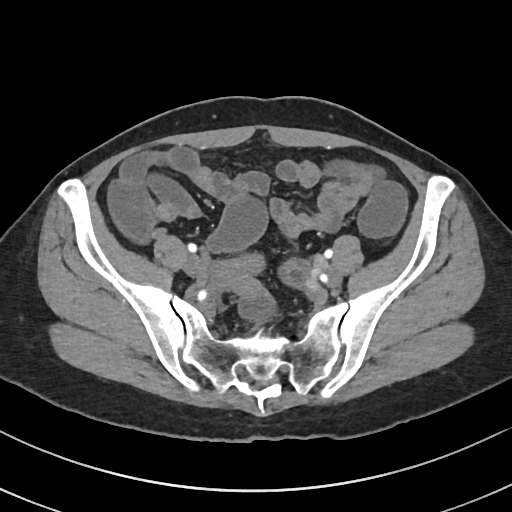 CT, abdomen/pelvis — Axial slice 90/242
Boxes: x1:y1:x2:y2 in pixels. 1 labeled organ on this slice — prostate/uterus at 215:254:281:285.